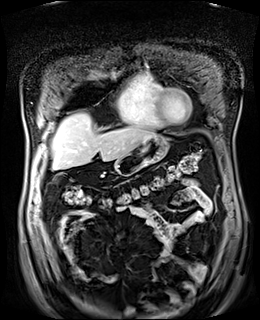
Abdominal MR · coronal view · 1st–99th percentile window · 260x320 px · acquired on Prisma
<organs><organ name="liver" x1="51" y1="112" x2="157" y2="169"/><organ name="stomach" x1="114" y1="135" x2="168" y2="175"/></organs>